Computed tomography, abdomen. axial view. W/L 400/40 HU. 512x512 px. SOMATOM Force scanner
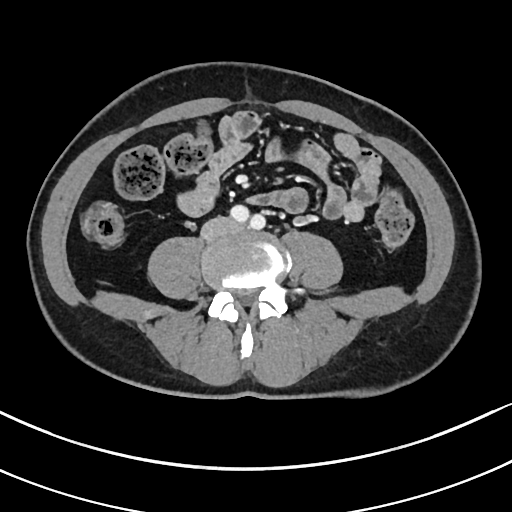
Each box given as x1,y1,x2,y2.
Organ bounding boxes:
- inferior vena cava: x1=201, y1=217, x2=233, y2=238